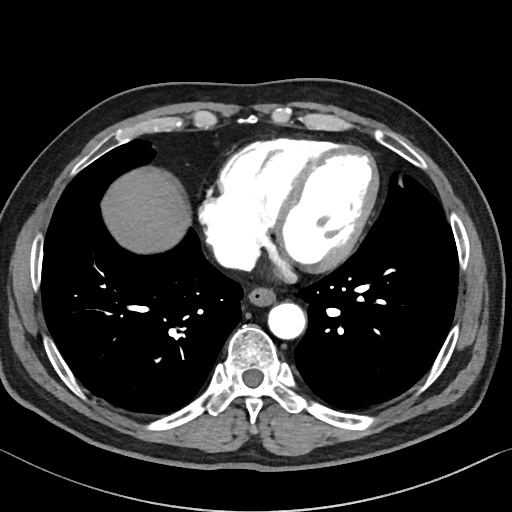
Computed tomography, abdomen; axial view; abdomen soft-tissue window; SOMATOM Force scanner
Each box given as x1,y1,x2,y2. Labeled organs on this slice: esophagus at x1=248, y1=287, x2=275, y2=306, liver at x1=101, y1=167, x2=190, y2=253, aorta at x1=268, y1=303, x2=305, y2=339, inferior vena cava at x1=215, y1=244, x2=257, y2=268.